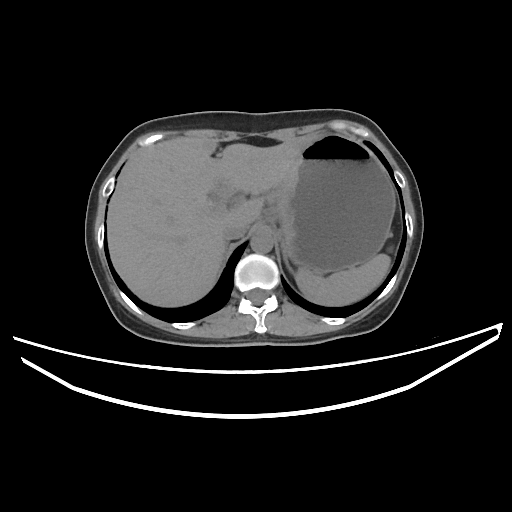 CT, abdomen/pelvis; axial view; 15 organs annotated in this scan (a whole-scan count: organs this slice does not pass through have no box)
{"organs":{"spleen":[295,253,390,305],"liver":[107,135,316,306],"aorta":[250,229,273,253],"right adrenal gland":[220,245,226,265],"inferior vena cava":[222,222,248,240],"stomach":[273,134,395,274],"left adrenal gland":[285,259,292,272]}}